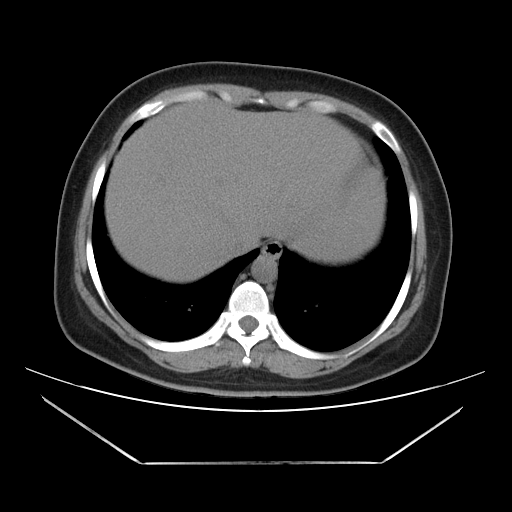
Abdominal CT. axial view. 512x512 px
<organs><organ name="esophagus" x1="262" y1="241" x2="281" y2="259"/><organ name="liver" x1="104" y1="100" x2="385" y2="282"/><organ name="aorta" x1="251" y1="255" x2="277" y2="282"/><organ name="inferior vena cava" x1="226" y1="230" x2="259" y2="255"/></organs>